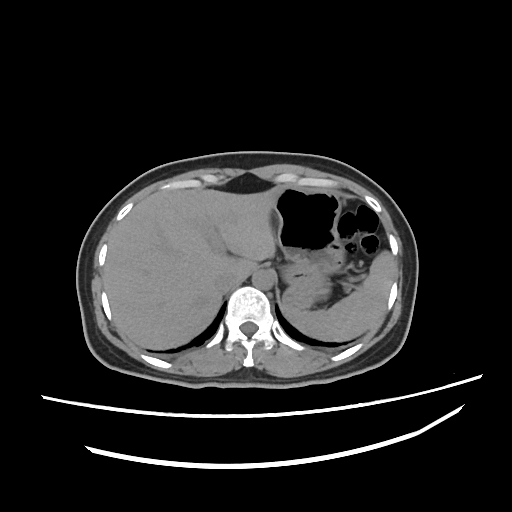
Computed tomography, abdomen. axial plane, index 81. 15 organs annotated in this scan (a whole-scan count: organs this slice does not pass through have no box)
Boxes: x1 y1 x2 y2 (pixel coords, space-separated).
Organ bounding boxes:
- spleen: 285 252 394 341
- liver: 103 186 282 350
- stomach: 272 186 342 306
- aorta: 253 269 275 289
- inferior vena cava: 216 271 246 293